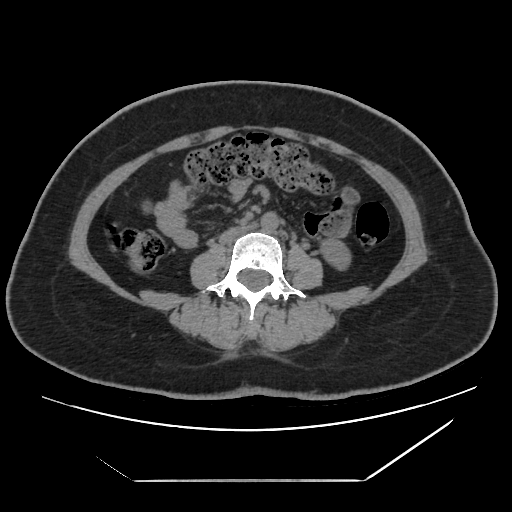
Abdominal CT — axial view
<organs><organ name="aorta" x1="261" y1="212" x2="279" y2="232"/><organ name="left kidney" x1="319" y1="237" x2="351" y2="271"/><organ name="inferior vena cava" x1="220" y1="225" x2="252" y2="243"/></organs>